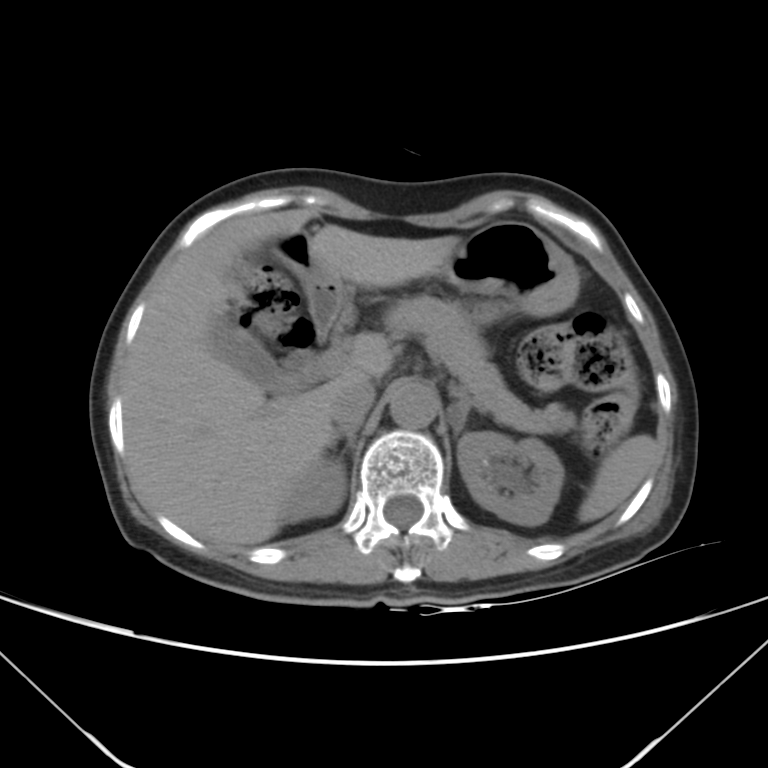
CT abdomen · Axial slice 74/92 · soft-tissue window (W 400 / L 40) · 63-year-old female patient
{"organs":{"spleen":[578,435,657,521],"right kidney":[283,457,346,521],"left kidney":[457,431,565,524],"gall bladder":[209,320,311,390],"liver":[122,209,458,547],"stomach":[274,222,578,324],"aorta":[389,381,437,428],"inferior vena cava":[330,379,374,427],"pancreas":[384,295,575,434],"right adrenal gland":[330,422,360,455],"left adrenal gland":[450,387,482,434],"duodenum":[314,321,332,341]}}